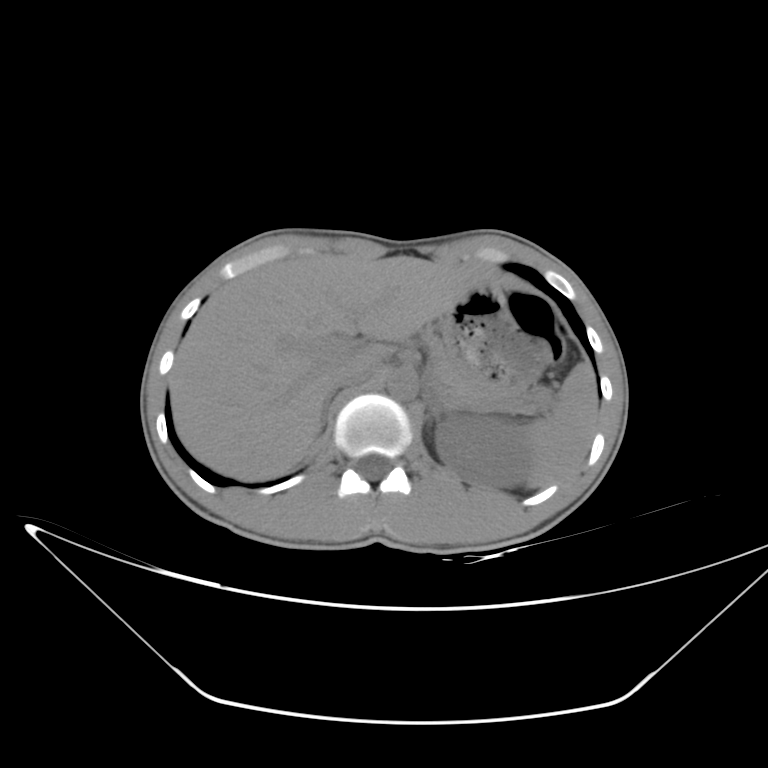 Computed tomography, abdomen · Axial slice 63/74 · 768x768 px · 39-year-old male patient
Bounding boxes in pixels, one row per box: x1, y1 is the top-left corner and x2, y2 the bottom-right.
| organ | x1 | y1 | x2 | y2 |
|---|---|---|---|---|
| inferior vena cava | 331 | 361 | 377 | 390 |
| liver | 169 | 254 | 493 | 481 |
| right adrenal gland | 318 | 402 | 329 | 433 |
| pancreas | 434 | 361 | 497 | 402 |
| stomach | 438 | 283 | 544 | 395 |
| spleen | 523 | 362 | 597 | 487 |
| left kidney | 435 | 413 | 531 | 489 |
| left adrenal gland | 427 | 393 | 442 | 428 |
| aorta | 387 | 374 | 417 | 399 |